Abdominal CT. axial view. 768x768 px. Brilliance16 scanner
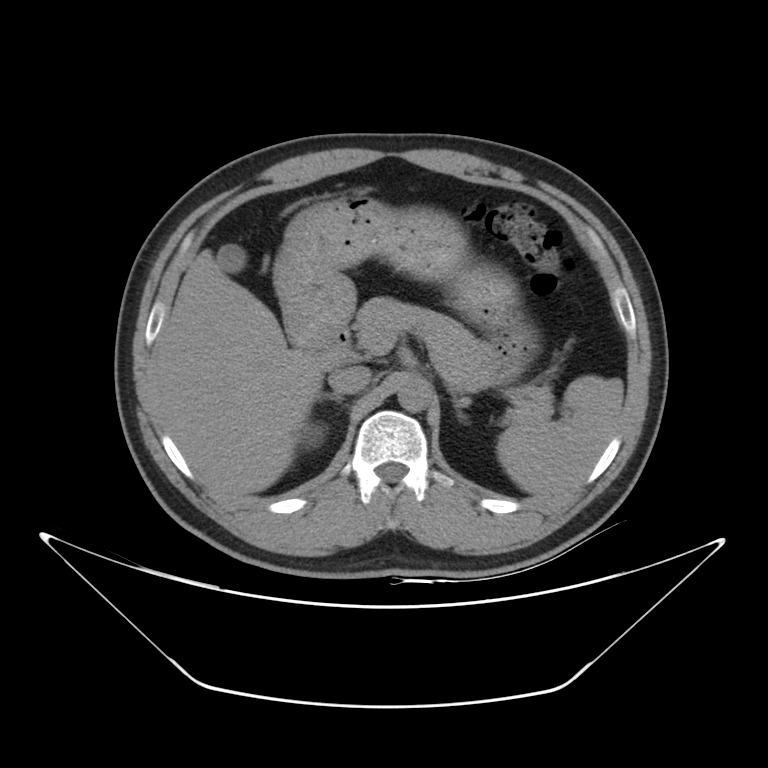

{"organs":{"aorta":[398,374,431,412],"left adrenal gland":[448,389,466,421],"duodenum":[306,324,351,369],"gall bladder":[216,243,246,272],"inferior vena cava":[328,365,371,394],"right kidney":[302,423,323,449],"right adrenal gland":[318,392,344,402],"liver":[153,250,323,497],"pancreas":[354,297,551,422],"spleen":[497,374,623,496],"stomach":[273,193,537,380]}}